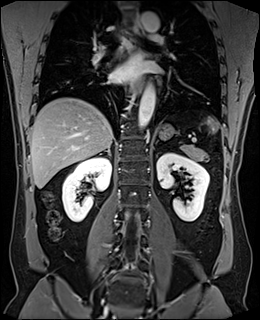 MRI, abdomen; coronal view; percentile-normalized; 260x320 px
{"organs":{"spleen":[205,117,219,132],"right kidney":[62,156,111,222],"left kidney":[156,152,209,221],"esophagus":[[133,17,144,37],[131,77,142,94]],"liver":[30,97,113,188],"stomach":[159,124,174,139],"aorta":[[138,85,155,129],[140,11,159,32]],"pancreas":[180,144,207,161],"right adrenal gland":[99,146,111,155]}}